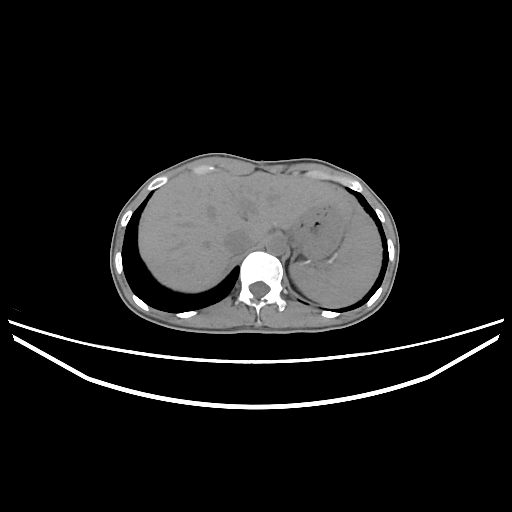

CT abdomen · Axial slice 75/85 · soft-tissue window
Box edges are left/top/right/bottom in pixels.
Organ bounding boxes:
- spleen: left=289, top=212, right=381, bottom=307
- left adrenal gland: left=291, top=250, right=300, bottom=262
- stomach: left=290, top=201, right=353, bottom=264
- liver: left=138, top=171, right=367, bottom=292
- aorta: left=266, top=236, right=286, bottom=255
- inferior vena cava: left=223, top=231, right=253, bottom=255